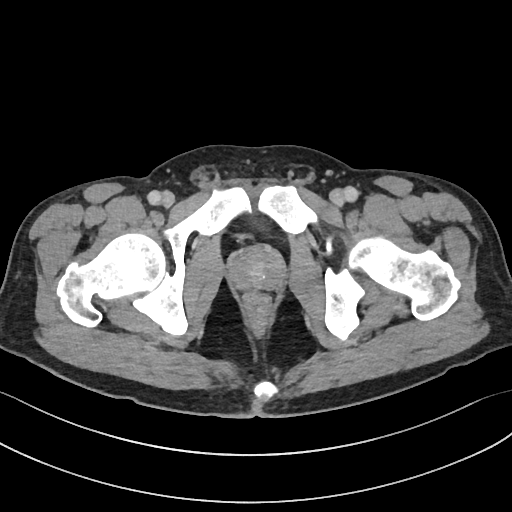
Abdominal CT; axial plane, index 28; soft-tissue window (W 400 / L 40)
One row per box, in pixels: columns x1 and y1 give the top-left corner, x2 and y2 the bottom-right.
| organ | x1 | y1 | x2 | y2 |
|---|---|---|---|---|
| prostate/uterus | 230 | 246 | 281 | 289 |